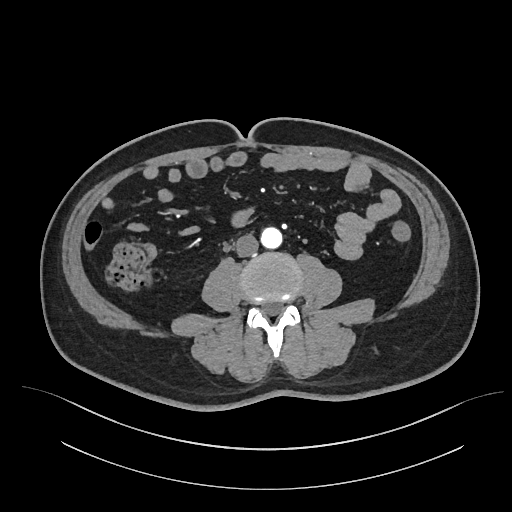
Abdominal CT; axial view; W/L 400/40 HU
Boxes: x1 y1 x2 y2 (pixel coords, space-separated). The annotated organs in this slice are: aorta at 261 227 282 248, inferior vena cava at 235 234 258 256.